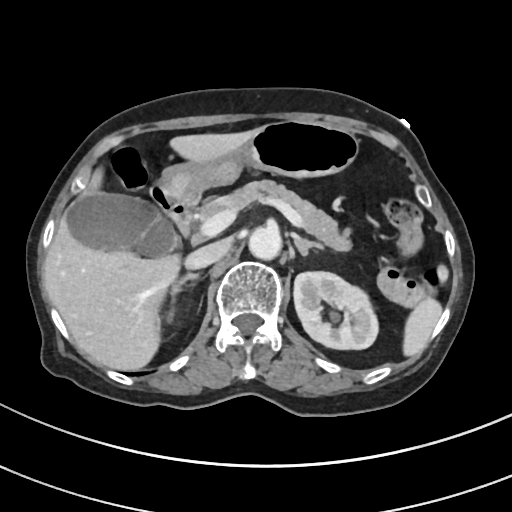

CT abdomen · axial plane, index 149 · SOMATOM Force scanner
{"organs":{"spleen":[403,265,448,357],"left kidney":[292,272,379,349],"gall bladder":[66,192,179,259],"liver":[43,128,257,370],"stomach":[158,120,359,195],"aorta":[249,227,282,260],"inferior vena cava":[186,242,229,269],"pancreas":[195,180,353,252],"right adrenal gland":[166,273,200,323],"left adrenal gland":[295,236,323,256],"duodenum":[149,182,199,237]}}